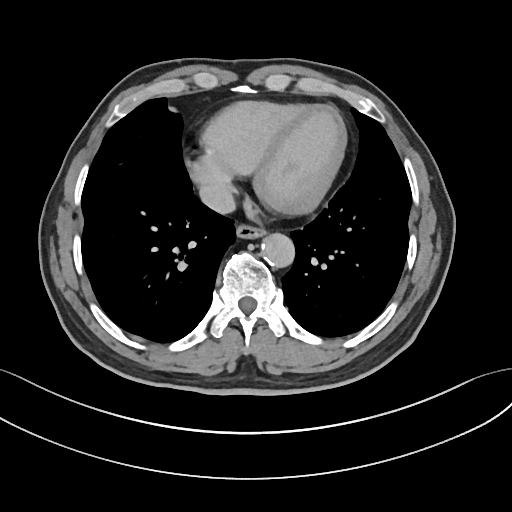
CT of the abdomen reaching into the lower chest, slice just above the liver and spleen; axial view; 15 organs annotated in this scan (that count is for the whole scan; organs this slice misses have no box)
No part of the heart or lungs is labeled in this dataset, so neither has a box here.
{"organs":{"esophagus":[236,226,264,237],"aorta":[260,232,294,266],"inferior vena cava":[199,183,235,213]}}